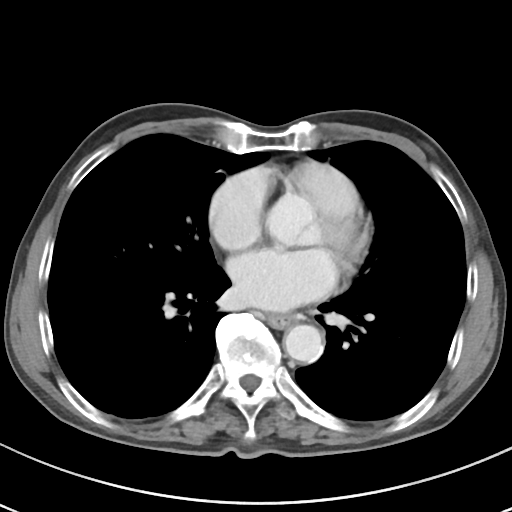
Chest-level slice from an abdominal CT that extends up into the chest · axial view · 512x512 px
At this level of the chest no structure but the esophagus and the aorta has a label in this dataset, and those two are boxed only where they are labeled.
<organs><organ name="esophagus" x1="262" y1="314" x2="296" y2="328"/><organ name="aorta" x1="283" y1="324" x2="323" y2="362"/></organs>